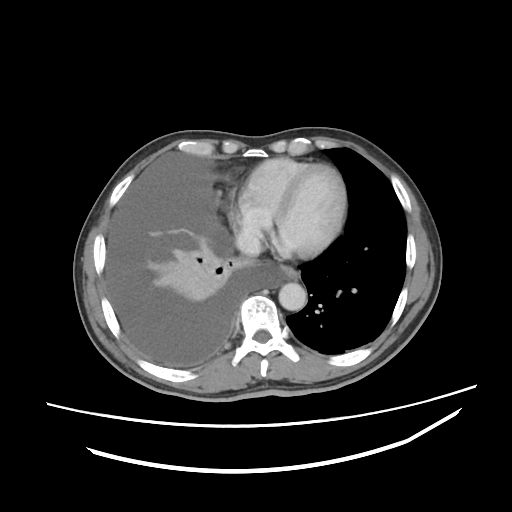 Abdominal CT; this slice is in the lower chest, just above the liver; Axial slice 93/131; 49-year-old male patient; Aquilion ONE scanner
The heart and lungs are never labeled in this dataset, so they have no box on this slice.
<organs><organ name="aorta" x1="278" y1="282" x2="306" y2="310"/><organ name="esophagus" x1="280" y1="265" x2="298" y2="279"/><organ name="inferior vena cava" x1="236" y1="232" x2="261" y2="256"/></organs>